CT abdomen · axial plane, index 51 · 512x512 px · acquired on Aquilion ONE
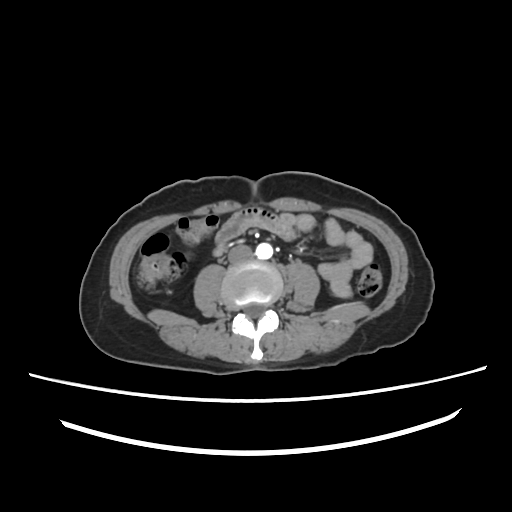
Boxes are (x1, y1, x2, y2) in pixels. 2 labeled organs on this slice — aorta at (256, 243, 273, 259); inferior vena cava at (228, 245, 253, 263).